Computed tomography, abdomen · axial plane, index 56 · 512x512 px · scan has 15 labeled organs (that count is for the whole scan; organs this slice misses have no box)
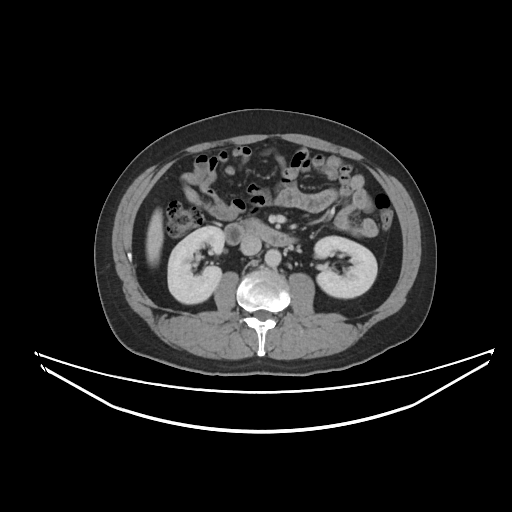

<organs><organ name="right kidney" x1="167" y1="226" x2="224" y2="303"/><organ name="left kidney" x1="314" y1="236" x2="377" y2="298"/><organ name="liver" x1="146" y1="208" x2="163" y2="264"/><organ name="aorta" x1="264" y1="249" x2="281" y2="267"/><organ name="inferior vena cava" x1="240" y1="236" x2="261" y2="255"/><organ name="duodenum" x1="224" y1="219" x2="294" y2="246"/></organs>